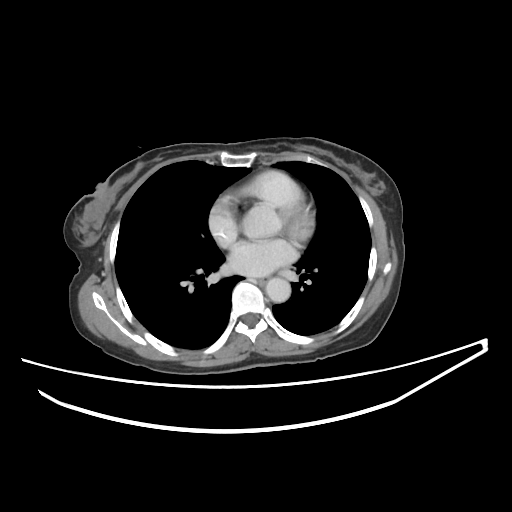 Lower-chest slice from an abdominal CT, just above the liver and spleen · axial plane, index 90 · W/L 400/40 HU
Of the structures in the chest, this dataset labels only the esophagus, the aorta and the inferior vena cava; the heart and lungs have no label.
<organs><organ name="esophagus" x1="258" y1="279" x2="264" y2="283"/><organ name="aorta" x1="265" y1="277" x2="290" y2="302"/></organs>